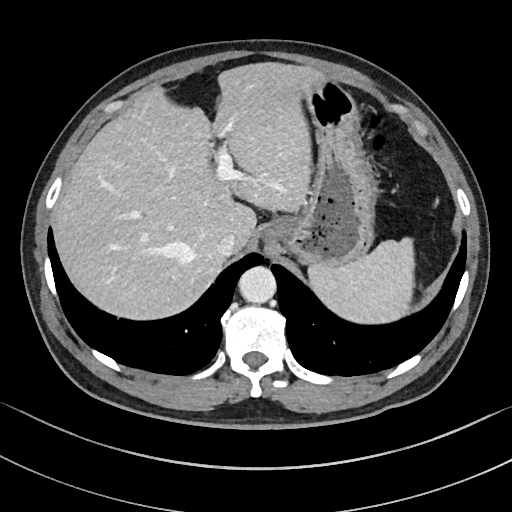

CT abdomen · axial view · abdomen soft-tissue window · acquired on SOMATOM Force
<organs><organ name="spleen" x1="308" y1="237" x2="414" y2="323"/><organ name="liver" x1="53" y1="62" x2="325" y2="319"/><organ name="stomach" x1="261" y1="77" x2="376" y2="266"/><organ name="aorta" x1="238" y1="266" x2="275" y2="303"/><organ name="inferior vena cava" x1="217" y1="233" x2="238" y2="256"/></organs>